Abdominal CT · Axial slice 121/280 · soft-tissue window · acquired on SOMATOM Force · 15 organs annotated in this scan (counted over the whole 3D scan, not this slice; an organ is boxed only where this slice passes through it)
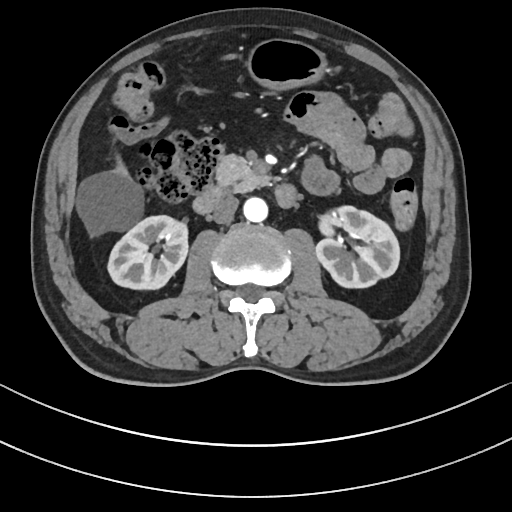

Bounding boxes as [x1, y1, x2, y2] in pixel coordinates.
Organ bounding boxes:
- right kidney: [107, 216, 187, 291]
- left kidney: [315, 204, 399, 288]
- liver: [78, 149, 142, 235]
- stomach: [245, 38, 329, 93]
- aorta: [244, 198, 268, 223]
- inferior vena cava: [212, 196, 238, 223]
- pancreas: [216, 156, 269, 192]
- duodenum: [193, 182, 298, 214]